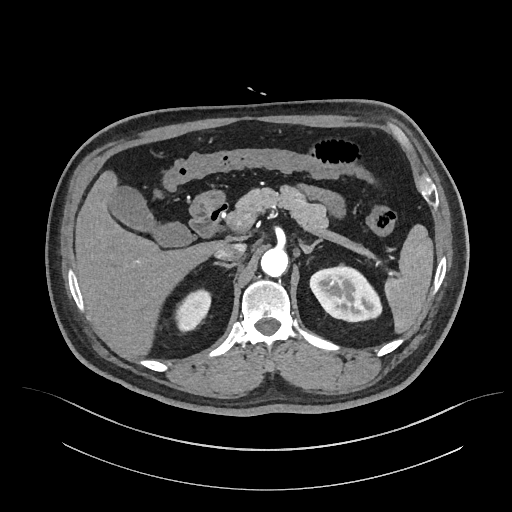 Computed tomography, abdomen · axial view · soft-tissue window (W 400 / L 40) · acquired on SOMATOM Force
Boxes: x1 y1 x2 y2 (pixel coords, space-separated).
Organ bounding boxes:
- spleen: 383 225 433 333
- right kidney: 176 291 209 329
- left kidney: 310 267 383 321
- gall bladder: 109 186 190 246
- liver: 75 169 228 356
- stomach: 189 189 226 217
- aorta: 261 247 288 277
- inferior vena cava: 214 242 245 260
- pancreas: 236 184 328 235
- right adrenal gland: 213 262 236 268
- left adrenal gland: 299 240 320 254
- duodenum: 190 203 226 234